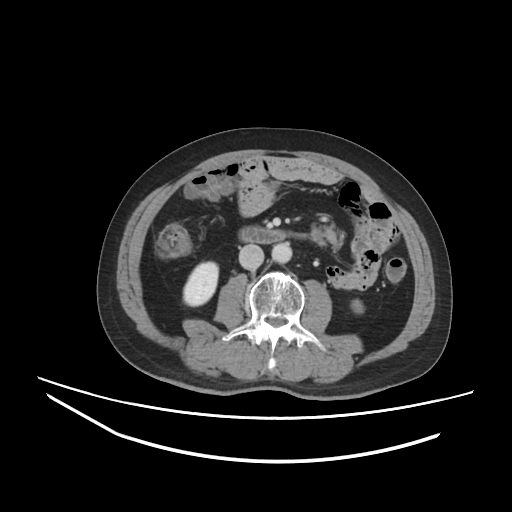

CT, abdomen/pelvis. Axial slice 52/128
Boxes: x1:y1:x2:y2 in pixels.
right kidney: 183:262:218:306
left kidney: 352:300:362:312
aorta: 271:242:292:263
inferior vena cava: 238:244:263:269
duodenum: 238:226:288:243